CT, abdomen/pelvis; axial view; Brilliance16 scanner
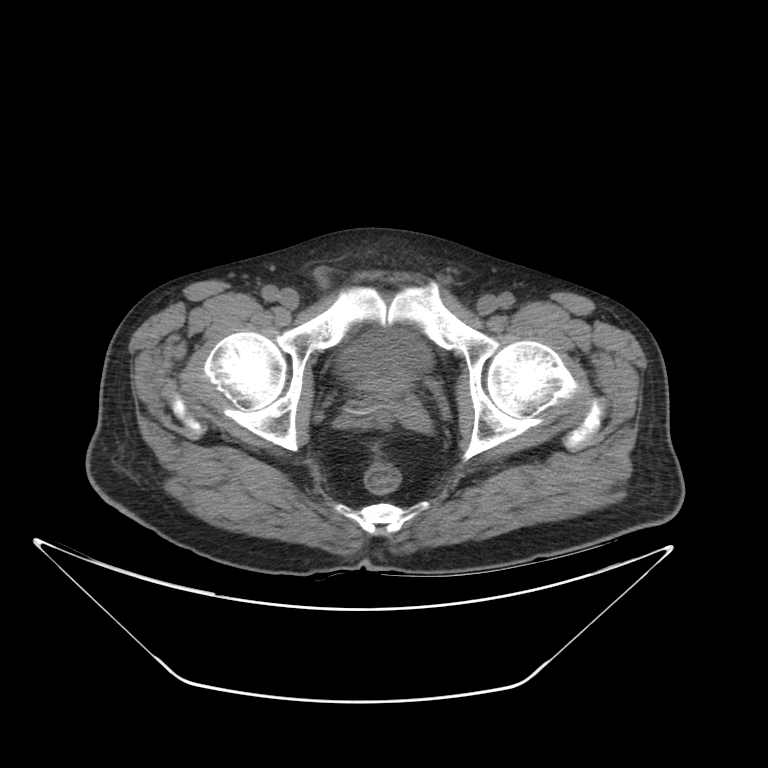 <organs><organ name="prostate/uterus" x1="367" y1="373" x2="406" y2="395"/><organ name="bladder" x1="342" y1="332" x2="429" y2="386"/></organs>